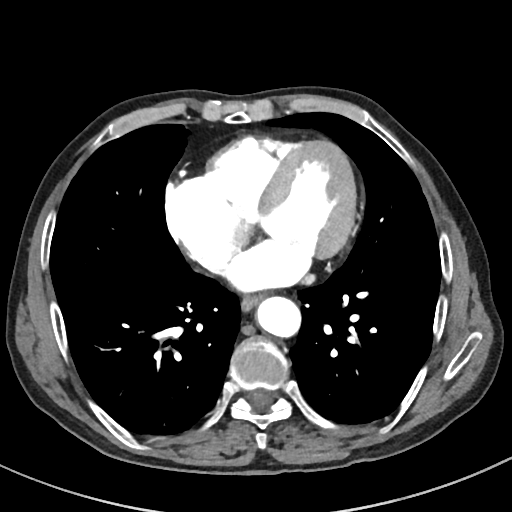 Lower-chest slice from an abdominal CT, just above the liver and spleen — axial view — soft-tissue window, W/L 400/40
Of the structures in the chest, this dataset labels only the esophagus, the aorta and the inferior vena cava; the heart and lungs have no label. Boxes: x1 y1 x2 y2 (pixel coords, space-separated). Labeled organs on this slice: esophagus at 240 292 266 312, aorta at 257 297 302 338.